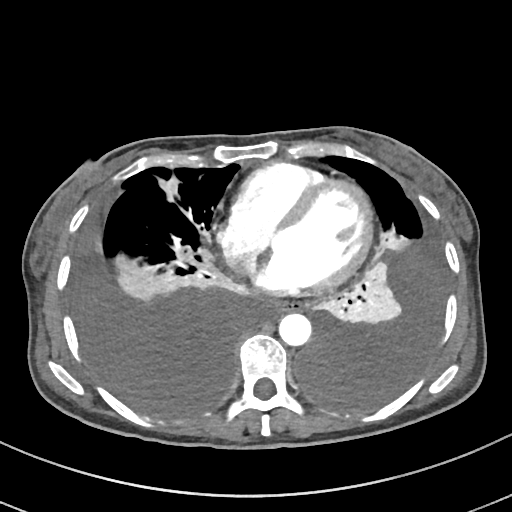 CT of the abdomen reaching into the lower chest, slice just above the liver and spleen · axial plane, index 223 · 512x512 px
The heart and lungs are never labeled in this dataset, so they have no box on this slice.
{"organs":{"esophagus":[274,301,299,312],"aorta":[278,313,311,345]}}